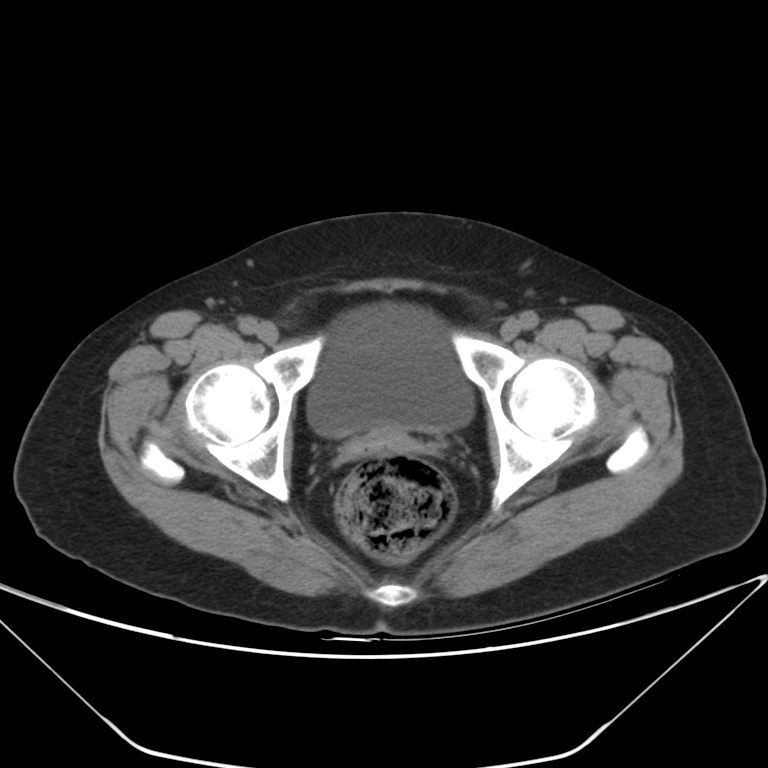

CT abdomen · axial view · W/L 400/40 HU · Brilliance16 scanner
Boxes: x1:y1:x2:y2 in pixels. The annotated organs in this slice are: bladder at 307:303:474:437, prostate/uterus at 349:427:414:455.